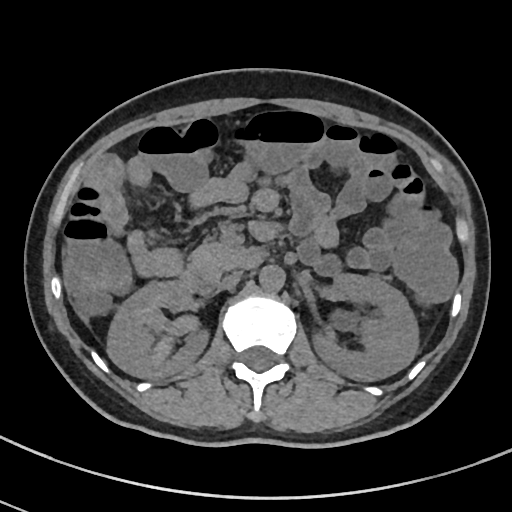

CT, abdomen/pelvis — axial view — SOMATOM Force scanner
Boxes are (x1, y1, x2, y2) in pixels.
pancreas: (187, 242, 251, 283)
inferior vena cava: (217, 272, 244, 291)
right kidney: (107, 281, 209, 378)
aorta: (259, 265, 285, 292)
left kidney: (310, 275, 416, 381)
duodenum: (180, 250, 262, 293)
liver: (76, 311, 90, 328)